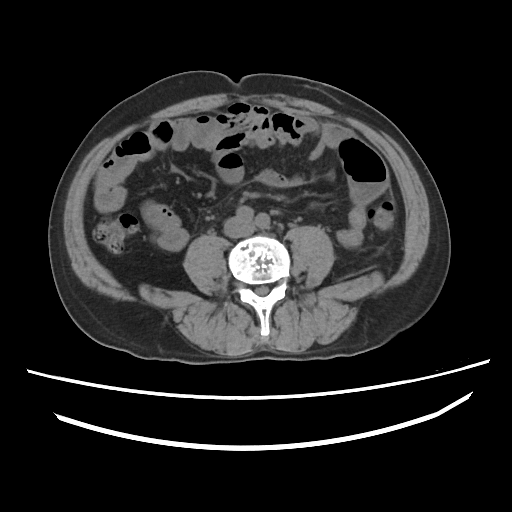
Abdominal CT — axial view — acquired on Aquilion ONE
Boxes are (x1, y1, x2, y2) in pixels. 1 labeled organ on this slice — inferior vena cava at (224, 217, 252, 237).